Abdominal MR — coronal view — 1st–99th percentile window — Prisma scanner — 13 organs annotated in this scan (a whole-scan count: organs this slice does not pass through have no box)
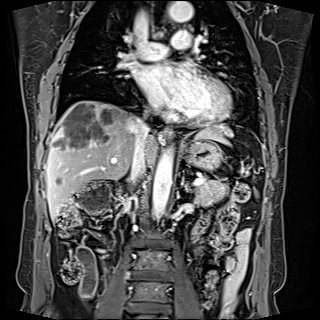
Box edges are left/top/right/bottom in pixels. The annotated organs in this slice are: spleen at left=197, top=128, right=228, bottom=143, esophagus at left=163, top=127, right=173, bottom=138, liver at left=46, top=101, right=235, bottom=220, stomach at left=182, top=136, right=223, bottom=170, aorta at left=152, top=150, right=173, bottom=218, aorta at left=168, top=1, right=193, bottom=21, inferior vena cava at left=130, top=116, right=149, bottom=184, pancreas at left=196, top=180, right=228, bottom=205, left adrenal gland at left=181, top=176, right=189, bottom=190, duodenum at left=114, top=187, right=124, bottom=207.